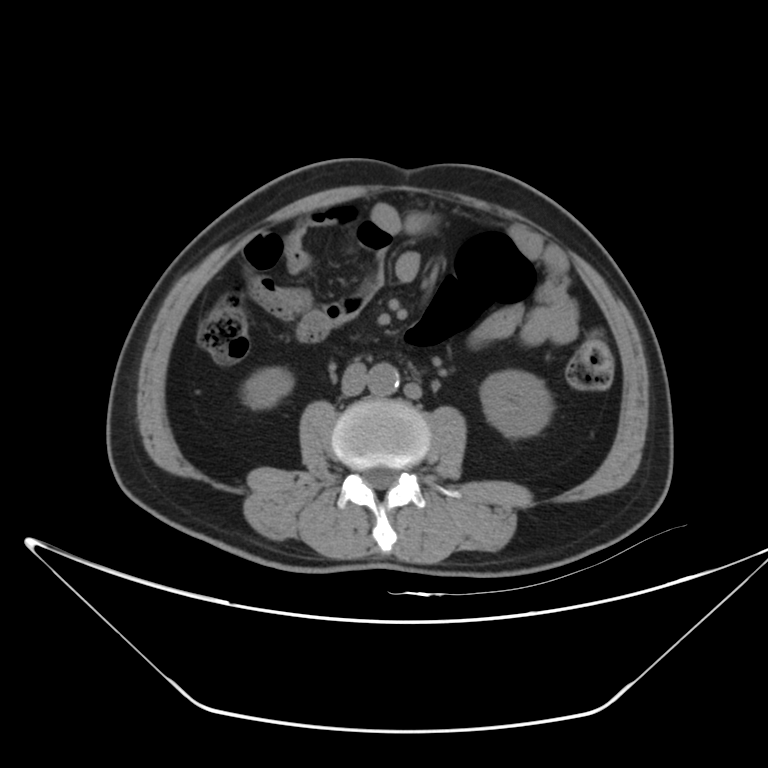

Computed tomography, abdomen; axial view; 768x768 px; 56-year-old male patient
Coordinates as <box>x1,y1,x2,y2</box> in pixels.
Organ bounding boxes:
- right kidney: <box>247,367,292,409</box>
- left kidney: <box>480,370,552,435</box>
- aorta: <box>367,363,399,396</box>
- inferior vena cava: <box>341,363,365,394</box>